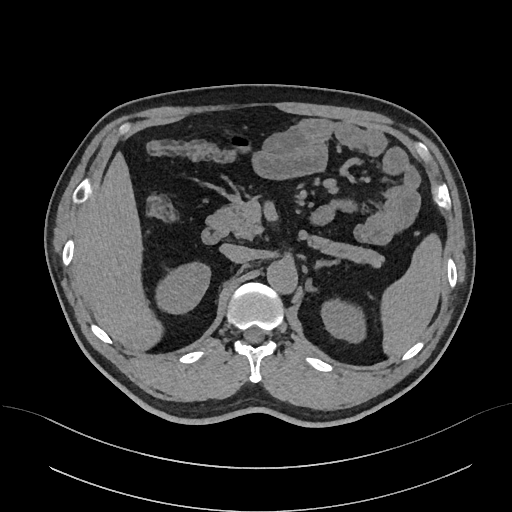 Computed tomography, abdomen. axial view. 512x512 px. 15 organs annotated in this scan (counted over the whole 3D scan, not this slice; an organ is boxed only where this slice passes through it)
{"organs":{"duodenum":[201,228,223,244],"spleen":[381,233,443,355],"inferior vena cava":[220,244,253,263],"liver":[73,152,162,350],"left adrenal gland":[314,260,335,268],"pancreas":[206,204,383,266],"right kidney":[155,262,210,313],"left kidney":[321,298,366,342],"aorta":[267,260,297,293]}}